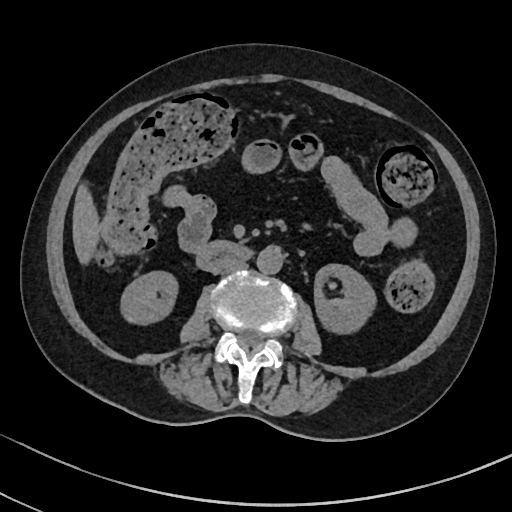

Abdominal CT. axial view. soft-tissue window (W 400 / L 40). 512x512 px. 15 organs annotated in this scan (counted over the whole 3D scan, not this slice; an organ is boxed only where this slice passes through it)
Boxes: x1 y1 x2 y2 (pixel coords, space-separated). 6 labeled organs on this slice — right kidney at 122 272 175 322; left kidney at 314 264 376 331; liver at 72 188 97 260; aorta at 256 247 282 273; inferior vena cava at 220 261 246 273; duodenum at 196 241 247 270.